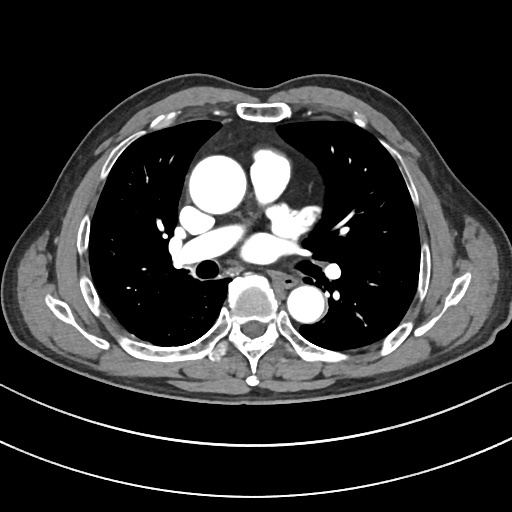 Chest-level CT slice, above the liver and spleen. axial plane, index 219
At this level of the chest no structure but the esophagus and the aorta has a label in this dataset, and those two are boxed only where they are labeled.
Each box given as x1,y1,x2,y2.
esophagus: x1=273, y1=274, x2=297, y2=287
aorta: x1=189, y1=155, x2=247, y2=213
aorta: x1=287, y1=285, x2=324, y2=322